Lower-chest slice from an abdominal CT, just above the liver and spleen — axial view — soft-tissue window — 768x768 px — scan has 15 labeled organs (a whole-scan count: organs this slice does not pass through have no box)
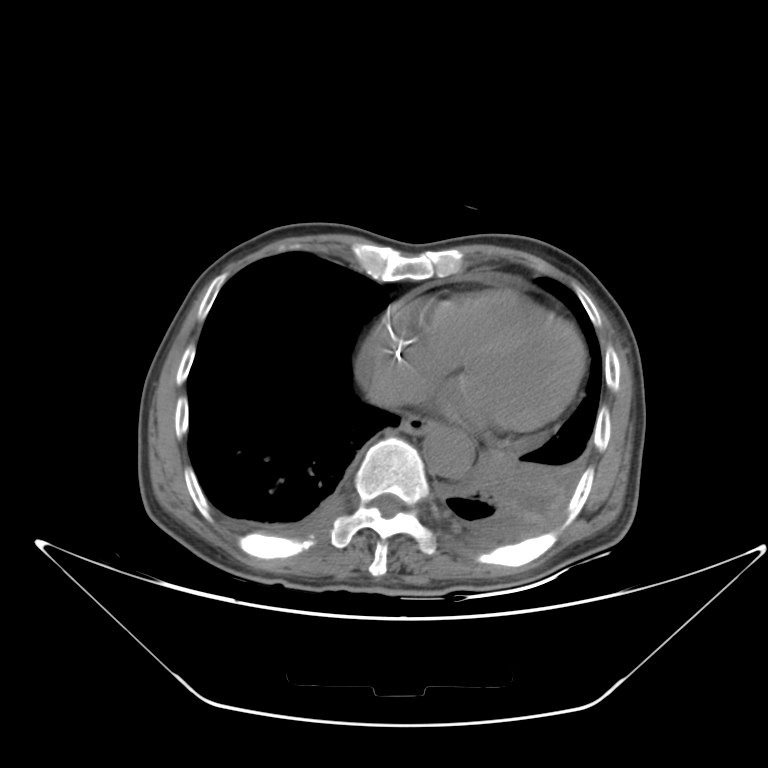 No part of the heart or lungs is labeled in this dataset, so neither has a box here. Boxes are (x1, y1, x2, y2) in pixels. The annotated organs in this slice are: esophagus at (399, 417, 432, 435), aorta at (421, 422, 476, 480), inferior vena cava at (367, 377, 410, 406).